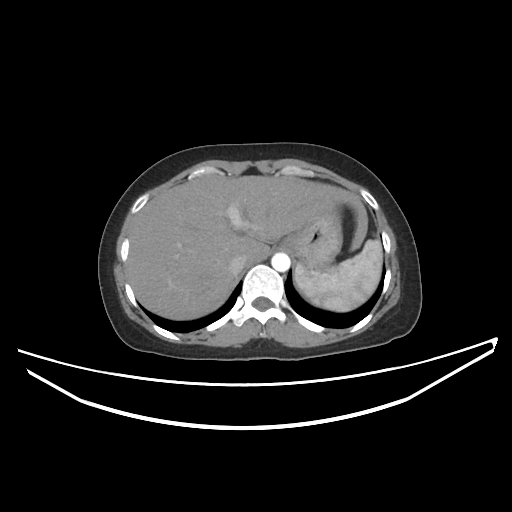
Computed tomography, abdomen · axial view · 15 organs annotated in this scan (counted over the whole 3D scan, not this slice; an organ is boxed only where this slice passes through it)
{"organs":{"spleen":[295,240,382,311],"liver":[126,175,367,319],"stomach":[281,207,342,270],"aorta":[271,253,290,271],"inferior vena cava":[229,255,246,274]}}